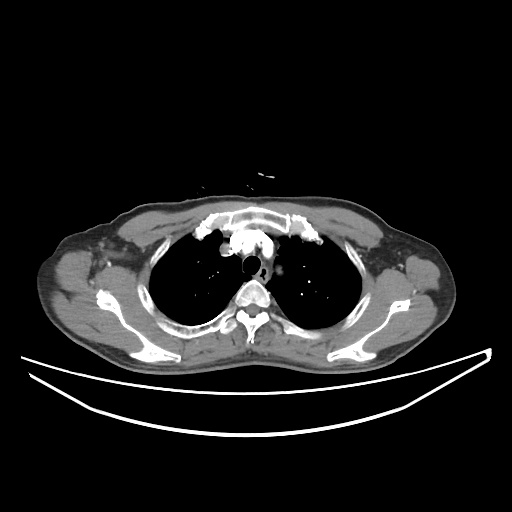

CT of the abdomen extending into the chest, slice through the chest; axial view; W/L 400/40 HU; 512x512 px
At this level of the chest this dataset labels only the esophagus and the aorta, and each is boxed only where it is labeled; the heart and lungs are never labeled.
<organs><organ name="esophagus" x1="257" y1="267" x2="268" y2="282"/></organs>